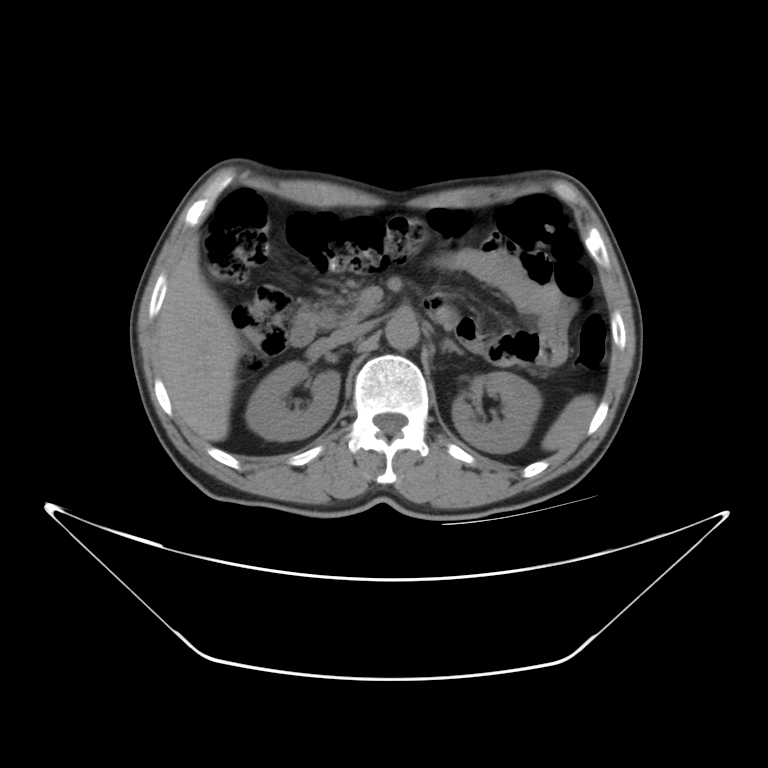 Computed tomography, abdomen; axial view; soft-tissue window; 59-year-old male patient
<organs><organ name="spleen" x1="541" y1="394" x2="595" y2="450"/><organ name="right kidney" x1="248" y1="363" x2="340" y2="439"/><organ name="left kidney" x1="450" y1="372" x2="537" y2="453"/><organ name="liver" x1="159" y1="232" x2="242" y2="440"/><organ name="aorta" x1="386" y1="313" x2="419" y2="349"/><organ name="inferior vena cava" x1="334" y1="324" x2="374" y2="342"/><organ name="pancreas" x1="309" y1="279" x2="366" y2="330"/><organ name="left adrenal gland" x1="442" y1="338" x2="463" y2="354"/><organ name="duodenum" x1="288" y1="294" x2="457" y2="349"/></organs>